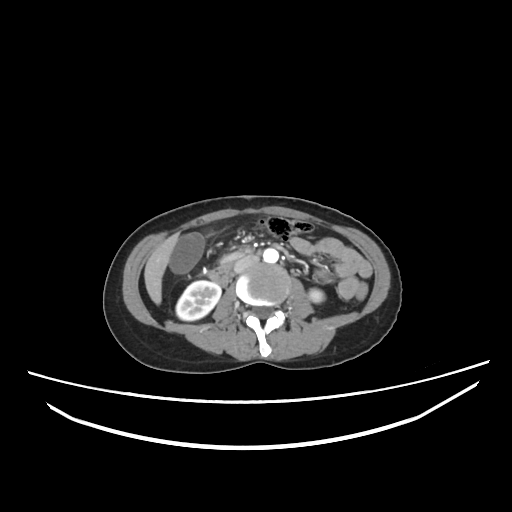

Computed tomography, abdomen; axial view; 512x512 px; 43-year-old female patient; Aquilion ONE scanner; scan has 15 labeled organs (a whole-scan count: organs this slice does not pass through have no box)
Bounding boxes as [x1, y1, x2, y2] in pixel coordinates.
Organ bounding boxes:
- right kidney: [176, 280, 221, 320]
- left kidney: [309, 288, 324, 302]
- gall bladder: [169, 232, 204, 273]
- liver: [144, 234, 178, 304]
- aorta: [263, 248, 278, 262]
- inferior vena cava: [234, 255, 258, 273]
- pancreas: [218, 251, 245, 264]
- duodenum: [208, 261, 234, 285]